Abdominal CT · axial view · acquired on SOMATOM Force · scan has 15 labeled organs (a whole-scan count: organs this slice does not pass through have no box)
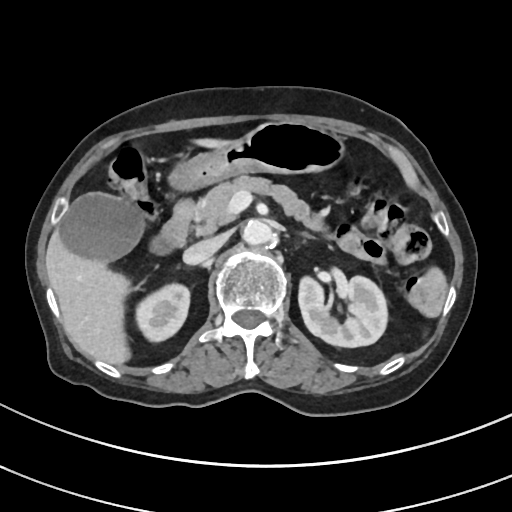
{"organs":{"right kidney":[135,283,189,341],"left kidney":[298,275,387,347],"gall bladder":[59,193,144,260],"liver":[46,138,228,364],"stomach":[168,121,345,190],"aorta":[242,220,274,245],"inferior vena cava":[183,235,225,264],"pancreas":[175,175,330,237],"left adrenal gland":[300,233,312,238],"duodenum":[151,211,189,253]}}